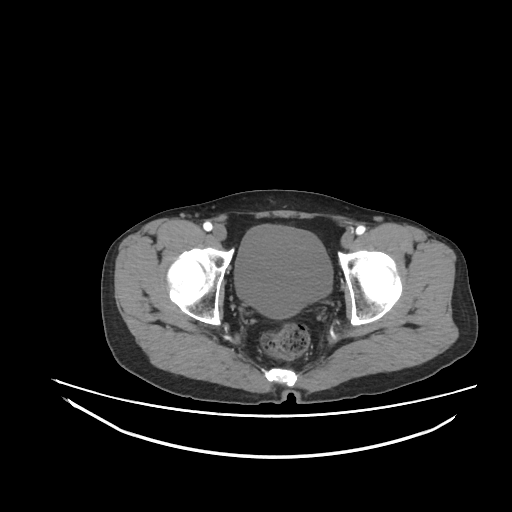 CT abdomen. axial plane, index 21. abdomen soft-tissue window. 52-year-old male patient. acquired on Aquilion ONE
One row per box, in pixels: columns x1 and y1 give the top-left corner, x2 and y2 the bottom-right.
| organ | x1 | y1 | x2 | y2 |
|---|---|---|---|---|
| bladder | 234 | 224 | 332 | 318 |